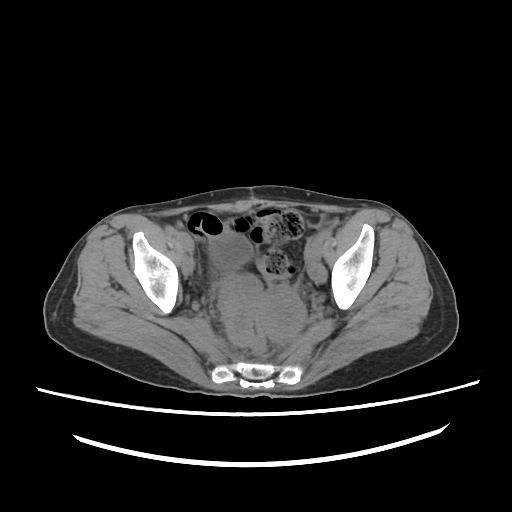

Abdominal CT. axial view. 15 organs annotated in this scan (a whole-scan count: organs this slice does not pass through have no box)
Boxes: x1:y1:x2:y2 in pixels.
Organ bounding boxes:
- prostate/uterus: 261:287:304:337
- bladder: 210:233:252:267